Abdominal CT; axial plane, index 69; 50-year-old male patient
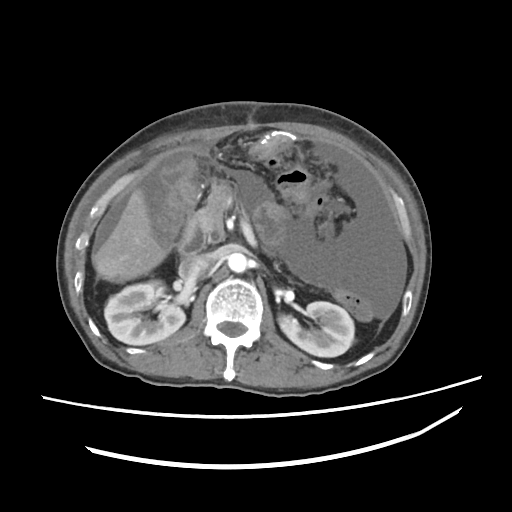
{"organs":{"right kidney":[103,278,185,345],"left kidney":[280,302,354,357],"liver":[93,166,187,281],"aorta":[228,254,248,274],"inferior vena cava":[178,254,215,285],"pancreas":[195,183,231,236],"duodenum":[178,217,205,254]}}